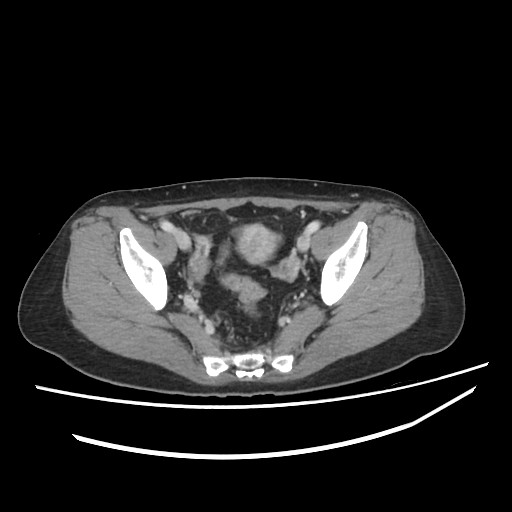 CT, abdomen/pelvis. axial view. abdomen soft-tissue window. 512x512 px. Aquilion ONE scanner
Box edges are left/top/right/bottom in pixels.
prostate/uterus: left=236, top=224, right=280, bottom=263